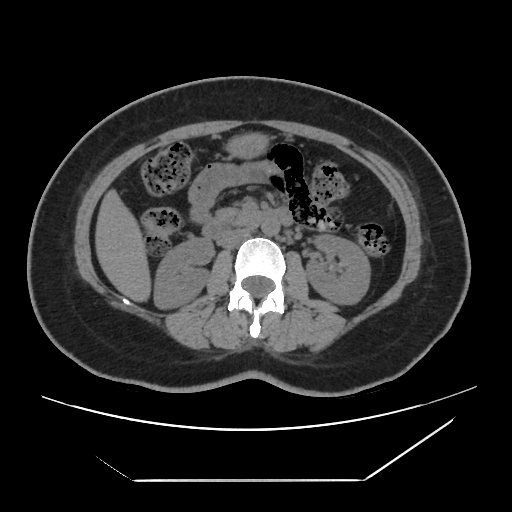
Computed tomography, abdomen. axial plane, index 198. abdomen soft-tissue window
Boxes: x1 y1 x2 y2 (pixel coords, space-separated). 8 labeled organs on this slice — stomach at 226 133 268 158; pancreas at 216 208 250 225; left kidney at 306 234 370 304; liver at 95 189 151 302; duodenum at 202 208 292 240; aorta at 261 219 279 236; inferior vena cava at 218 227 253 248; right kidney at 154 238 213 308.